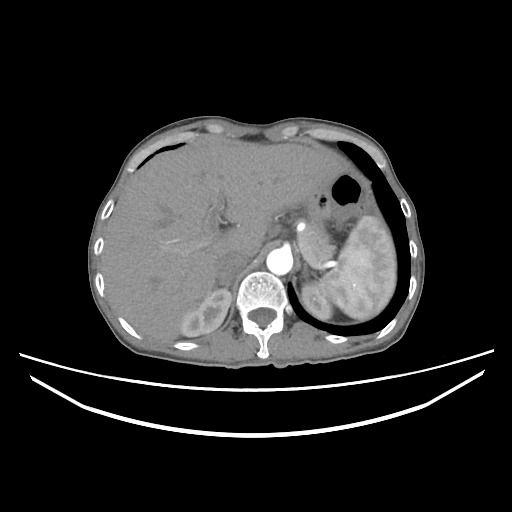
Abdominal CT. axial view. W/L 400/40 HU. 512x512 px. scan has 14 labeled organs (that count is for the whole scan; organs this slice misses have no box)
Bounding boxes as [x1, y1, x2, y2] in pixel coordinates.
spleen: [315, 216, 395, 320]
right kidney: [180, 288, 231, 336]
left kidney: [301, 283, 332, 319]
liver: [101, 143, 339, 342]
aorta: [266, 247, 292, 275]
inferior vena cava: [215, 251, 249, 282]
pancreas: [295, 218, 333, 262]
right adrenal gland: [214, 282, 230, 289]
left adrenal gland: [304, 263, 307, 270]